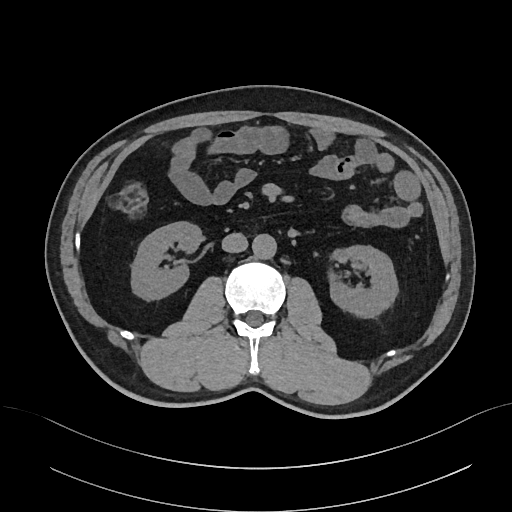

Abdominal CT · axial view · abdomen soft-tissue window · 512x512 px · SOMATOM Force scanner · 15 organs annotated in this scan (a whole-scan count: organs this slice does not pass through have no box)
Each box given as x1,y1,x2,y2. Labeled organs on this slice: right kidney at x1=131, y1=222, x2=201, y2=300, left kidney at x1=330, y1=245, x2=397, y2=317, inferior vena cava at x1=222, y1=233, x2=248, y2=252, aorta at x1=252, y1=234, x2=276, y2=259.